Magnetic resonance imaging, abdomen; axial plane, index 70; percentile-normalized
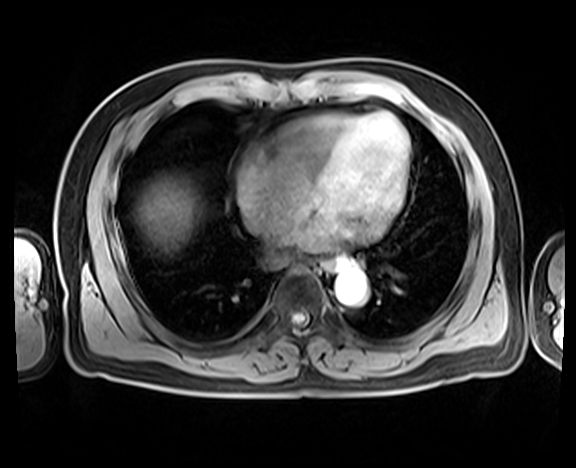
{"organs":{"esophagus":[311,257,348,273],"liver":[138,176,199,251],"aorta":[335,268,367,305],"inferior vena cava":[263,230,299,247]}}